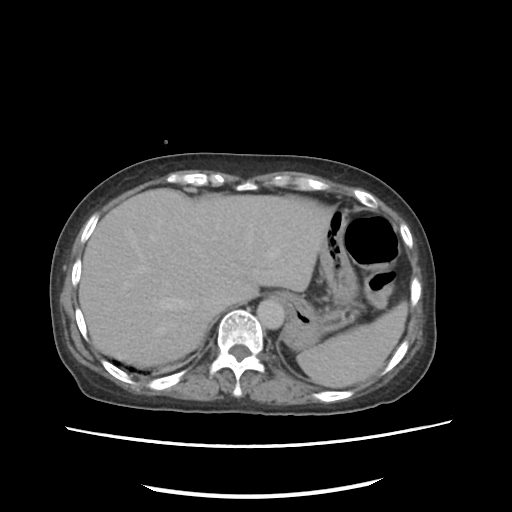
Abdominal CT. Axial slice 77/90. soft-tissue window. 52-year-old female patient
Coordinates as <box>x1,y1,x2,y2</box> in pixels.
spleen: <box>296,301,408,388</box>
esophagus: <box>278,295,280,299</box>
liver: <box>79,188,333,367</box>
stomach: <box>280,212,358,349</box>
aorta: <box>257,299,284,329</box>
inferior vena cava: <box>205,292,229,314</box>